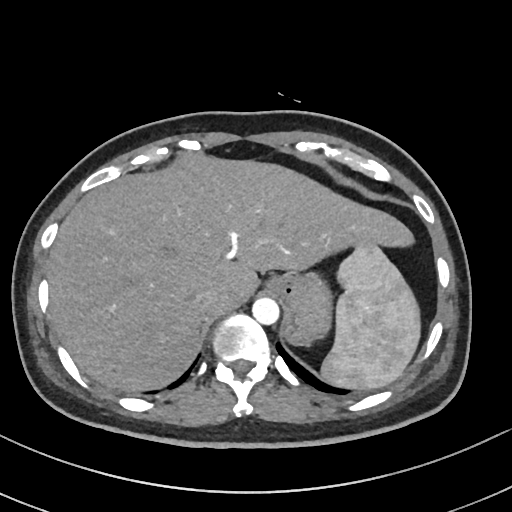 CT abdomen. axial view. soft-tissue window. acquired on SOMATOM Force
Coordinates as <box>x1,y1,x2,y2</box> in pixels.
Organ bounding boxes:
- aorta: <box>252,297,279,324</box>
- inferior vena cava: <box>194,287,219,309</box>
- stomach: <box>270,272,333,346</box>
- spleen: <box>320,246,422,390</box>
- liver: <box>46,152,413,393</box>